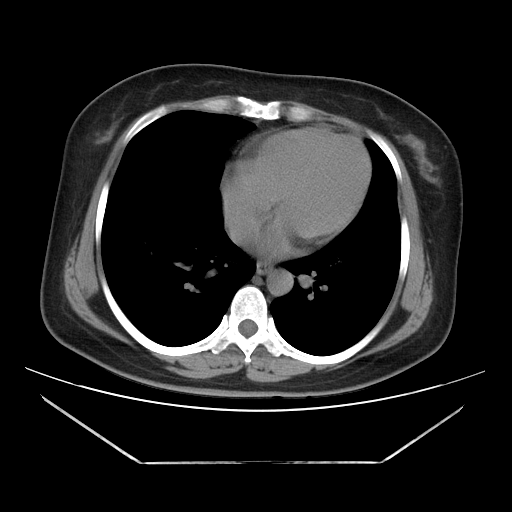
CT of the abdomen reaching into the lower chest, slice just above the liver and spleen. Axial slice 93/93. soft-tissue window, W/L 400/40
The heart and lungs are never labeled in this dataset, so they have no box on this slice.
Boxes: x1 y1 x2 y2 (pixel coords, space-separated).
esophagus: 256 262 271 274
aorta: 267 270 293 295
inferior vena cava: 228 219 254 243